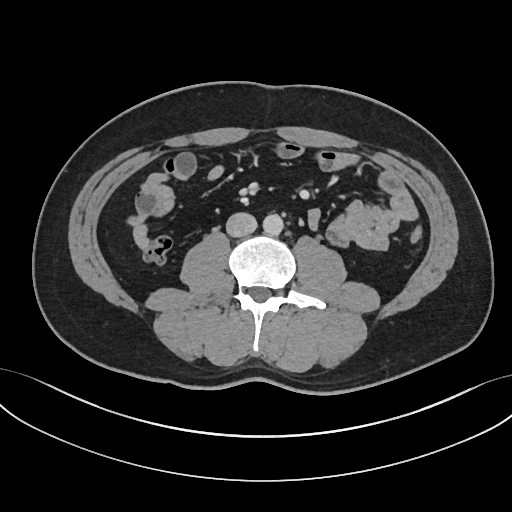 Computed tomography, abdomen. axial view. soft-tissue window
{"organs":{"aorta":[262,213,283,235],"inferior vena cava":[226,212,257,237]}}